Computed tomography, abdomen; Axial slice 22/128; abdomen soft-tissue window
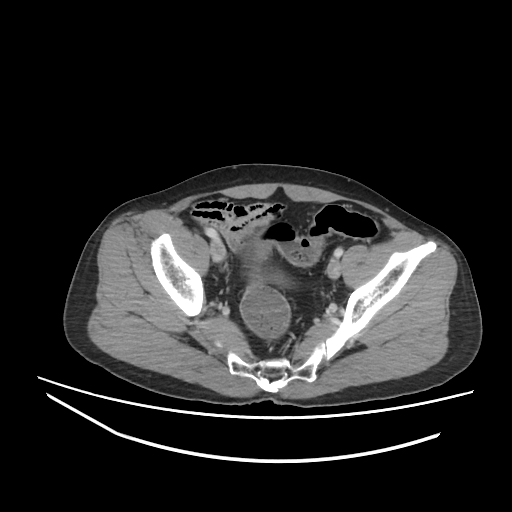

Coordinates as <box>x1,y1,x2,y2</box> in pixels.
Organ bounding boxes:
- bladder: <box>272,273,285,284</box>